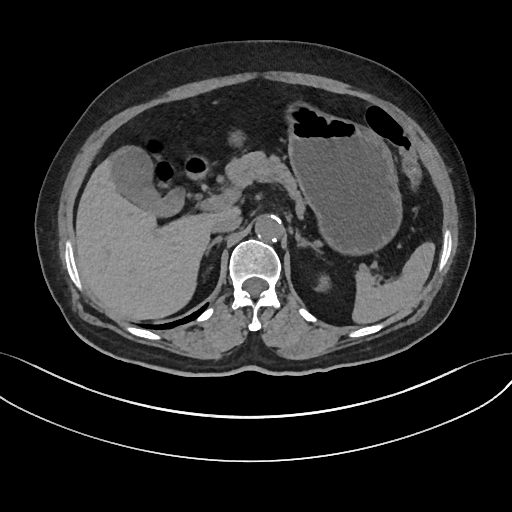

CT abdomen — axial plane, index 152 — soft-tissue window
Organ boxes in pixel coordinates; each row gives the top-left (x1, y1) and bottom-right (x2, y2) corners.
| organ | x1 | y1 | x2 | y2 |
|---|---|---|---|---|
| gall bladder | 114 | 147 | 184 | 215 |
| aorta | 255 | 215 | 284 | 241 |
| stomach | 288 | 104 | 403 | 254 |
| left adrenal gland | 295 | 233 | 317 | 252 |
| left kidney | 320 | 276 | 328 | 288 |
| inferior vena cava | 211 | 214 | 240 | 232 |
| right adrenal gland | 205 | 236 | 223 | 252 |
| pancreas | 227 | 151 | 370 | 281 |
| spleen | 352 | 242 | 434 | 324 |
| duodenum | 187 | 158 | 208 | 177 |
| liver | 75 | 146 | 242 | 320 |